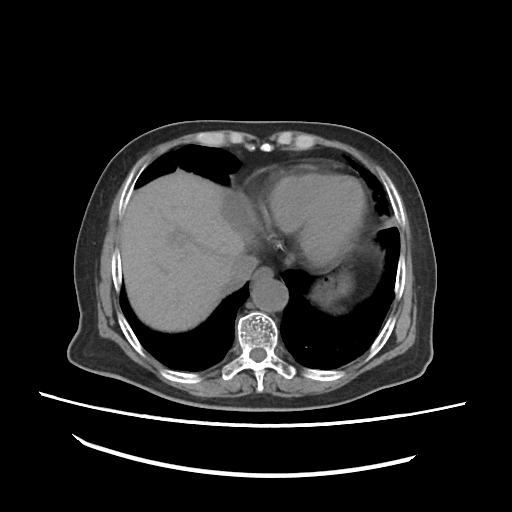

Abdominal CT; axial view
Bounding boxes as [x1, y1, x2, y2] in pixel coordinates. Labeled organs on this slice: esophagus at [252, 268, 273, 285], liver at [121, 169, 261, 331], stomach at [312, 270, 354, 304], aorta at [251, 280, 288, 312], inferior vena cava at [225, 256, 258, 294].